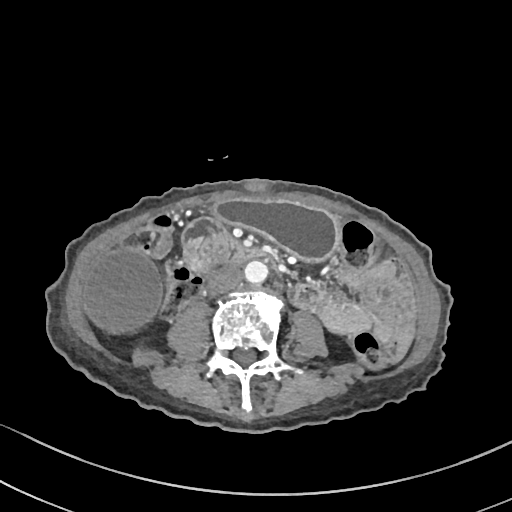

CT abdomen — Axial slice 141/236 — 512x512 px — scan has 15 labeled organs (that count is for the whole scan; organs this slice misses have no box)
<organs><organ name="gall bladder" x1="82" y1="250" x2="162" y2="334"/><organ name="stomach" x1="213" y1="197" x2="337" y2="262"/><organ name="aorta" x1="245" y1="260" x2="268" y2="282"/><organ name="inferior vena cava" x1="207" y1="266" x2="243" y2="293"/><organ name="duodenum" x1="180" y1="219" x2="263" y2="270"/></organs>